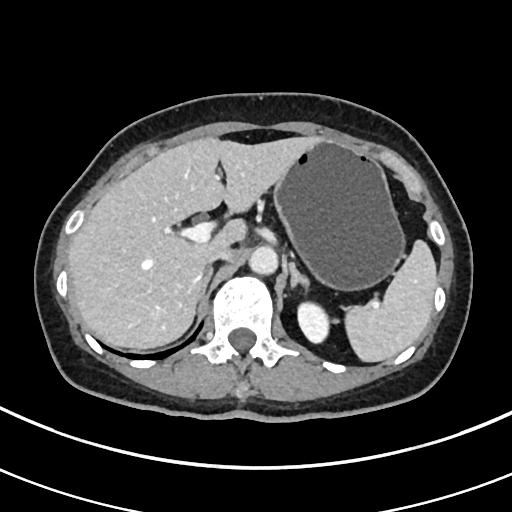 CT, abdomen/pelvis; axial view; scan has 15 labeled organs (that count is for the whole scan; organs this slice misses have no box)
Coordinates as <box>x1,y1,x2,y2</box> in pixels.
Organ bounding boxes:
- aorta: <box>249,247,278,275</box>
- spleen: <box>342,241,437,362</box>
- stomach: <box>274,140,404,291</box>
- left adrenal gland: <box>289,257,309,288</box>
- liver: <box>67,136,323,349</box>
- inferior vena cava: <box>209,248,235,264</box>
- left kidney: <box>297,302,328,341</box>
- right adrenal gland: <box>203,270,212,292</box>